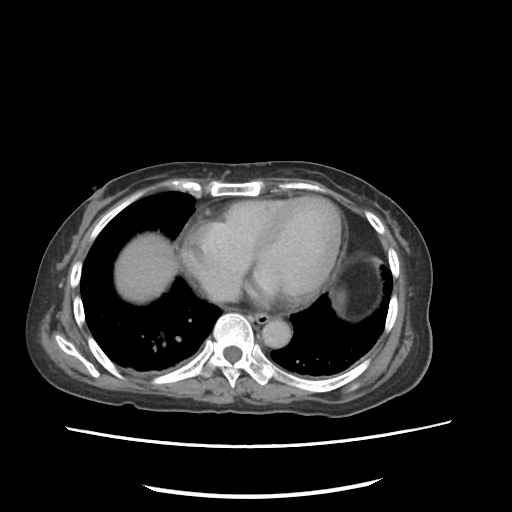

CT abdomen; axial view; 52-year-old female patient; Aquilion ONE scanner
<organs><organ name="esophagus" x1="254" y1="313" x2="272" y2="323"/><organ name="liver" x1="115" y1="233" x2="178" y2="303"/><organ name="aorta" x1="262" y1="319" x2="291" y2="348"/><organ name="inferior vena cava" x1="208" y1="284" x2="238" y2="301"/></organs>